CT of the abdomen extending into the chest, slice through the chest · Axial slice 86/112 · soft-tissue window, W/L 400/40 · 61-year-old male patient · Aquilion ONE scanner
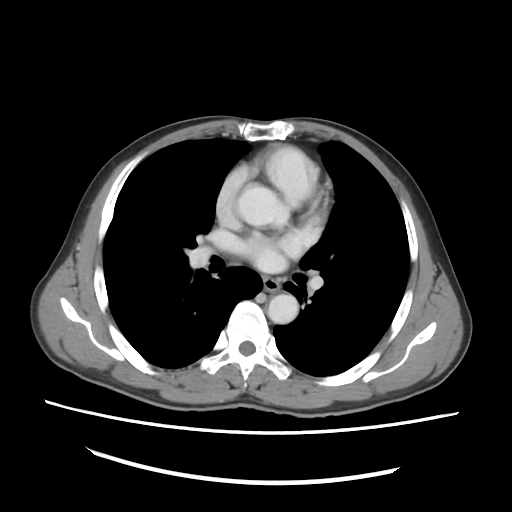 At this level of the chest this dataset labels only the esophagus and the aorta, and each is boxed only where it is labeled; the heart and lungs are never labeled.
Box edges are left/top/right/bottom in pixels.
Organ bounding boxes:
- esophagus: left=264, top=278, right=279, bottom=292
- aorta: left=267, top=294, right=298, bottom=323